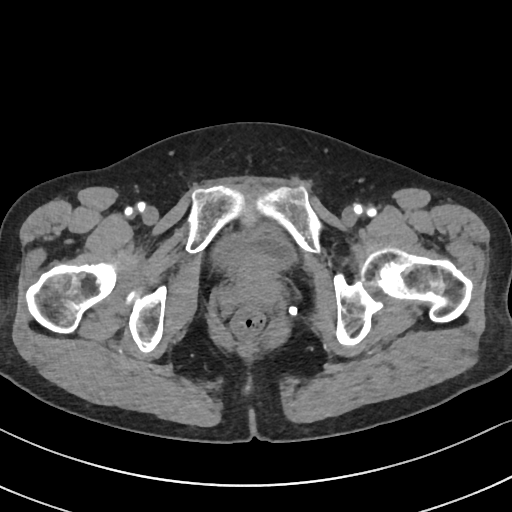 Computed tomography, abdomen; axial view; 512x512 px; 15 organs annotated in this scan (counted over the whole 3D scan, not this slice; an organ is boxed only where this slice passes through it)
Boxes are (x1, y1, x2, y2) in pixels.
bladder: (213, 221, 297, 277)